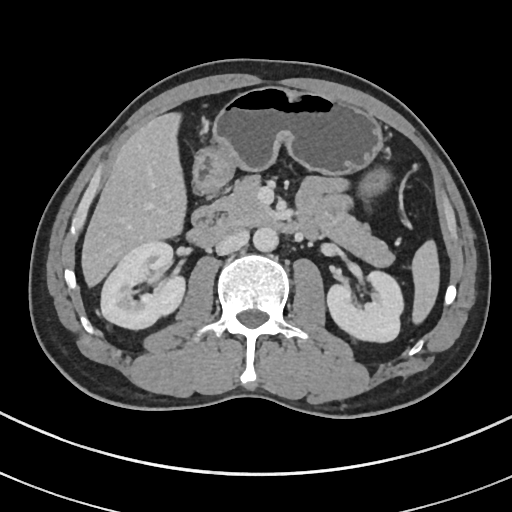 Computed tomography, abdomen — axial view — 15 organs annotated in this scan (counted over the whole 3D scan, not this slice; an organ is boxed only where this slice passes through it)
<organs><organ name="inferior vena cava" x1="216" y1="230" x2="249" y2="254"/><organ name="duodenum" x1="186" y1="205" x2="305" y2="247"/><organ name="stomach" x1="193" y1="86" x2="390" y2="197"/><organ name="right kidney" x1="100" y1="241" x2="184" y2="329"/><organ name="liver" x1="81" y1="112" x2="186" y2="286"/><organ name="left kidney" x1="327" y1="271" x2="403" y2="342"/><organ name="aorta" x1="253" y1="227" x2="278" y2="251"/><organ name="pancreas" x1="213" y1="176" x2="394" y2="266"/><organ name="spleen" x1="411" y1="240" x2="439" y2="323"/></organs>